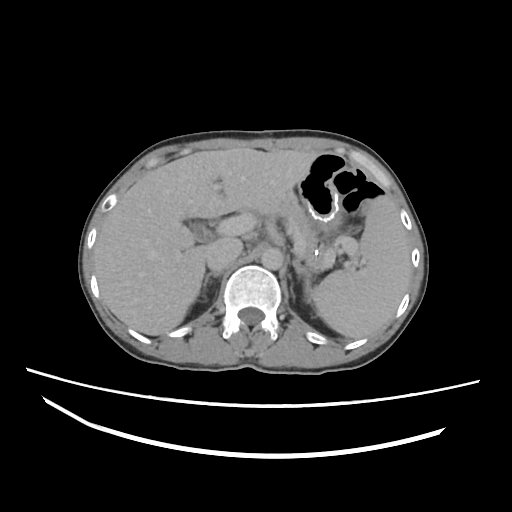 CT, abdomen/pelvis. axial plane, index 78. 40-year-old male patient. scan has 15 labeled organs (a whole-scan count: organs this slice does not pass through have no box)
Boxes are (x1, y1, x2, y2) in pixels. The annotated organs in this slice are: spleen at (314, 196, 410, 339), gall bladder at (189, 222, 210, 241), liver at (94, 146, 319, 335), stomach at (297, 151, 348, 230), aorta at (260, 246, 282, 270), inferior vena cava at (205, 236, 242, 270), pancreas at (243, 192, 351, 274), right adrenal gland at (203, 271, 221, 285), left adrenal gland at (293, 259, 310, 287).